CT of the abdomen extending into the chest, slice through the chest · Axial slice 291/291 · 512x512 px
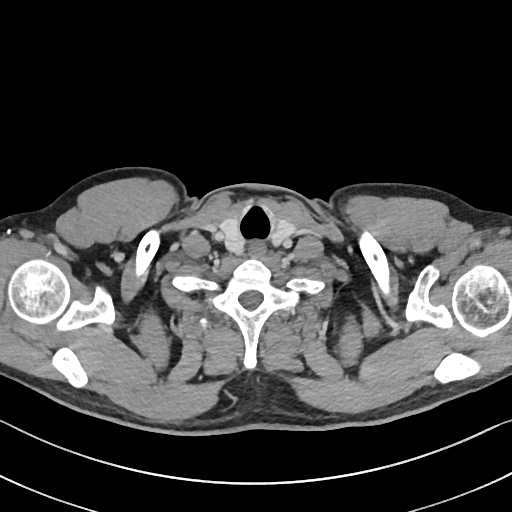 At this level of the chest this dataset labels only the esophagus and the aorta, and each is boxed only where it is labeled; the heart and lungs are never labeled.
Organ boxes in pixel coordinates; each row gives the top-left (x1, y1) and bottom-right (x2, y2) corners.
| organ | x1 | y1 | x2 | y2 |
|---|---|---|---|---|
| esophagus | 249 | 242 | 267 | 259 |